Computed tomography, abdomen; axial view; 39-year-old male patient; 15 organs annotated in this scan (a whole-scan count: organs this slice does not pass through have no box)
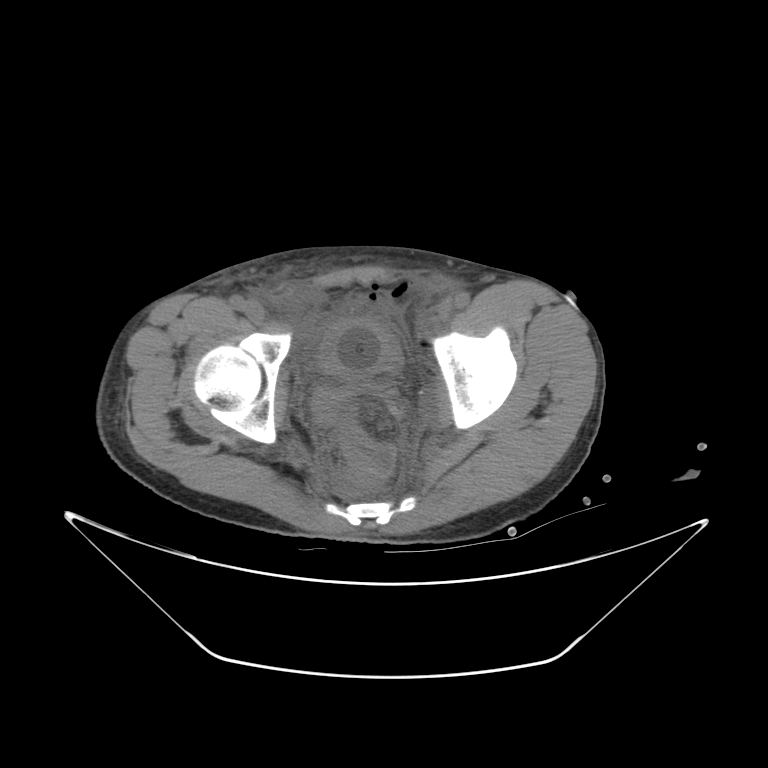
Boxes: x1:y1:x2:y2 in pixels. Labeled organs on this slice: bladder at 317:316:400:378.